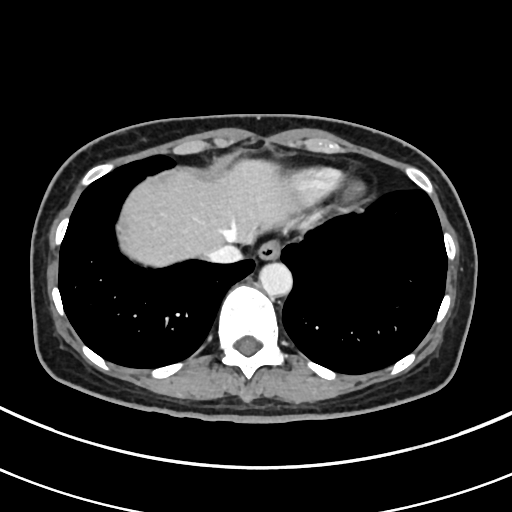
CT abdomen · axial view
<organs><organ name="esophagus" x1="258" y1="239" x2="281" y2="259"/><organ name="liver" x1="117" y1="161" x2="302" y2="266"/><organ name="aorta" x1="259" y1="261" x2="292" y2="296"/><organ name="inferior vena cava" x1="205" y1="244" x2="240" y2="264"/></organs>